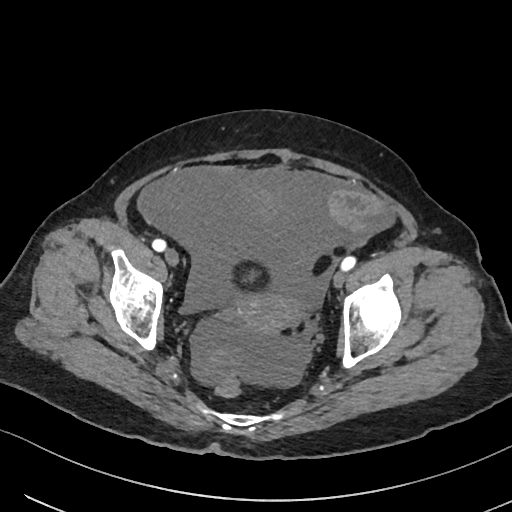 CT, abdomen/pelvis — axial plane, index 51 — 512x512 px — SOMATOM Force scanner — 15 organs annotated in this scan (counted over the whole 3D scan, not this slice; an organ is boxed only where this slice passes through it)
Organ boxes in pixel coordinates; each row gives the top-left (x1, y1) and bottom-right (x2, y2) corners.
| organ | x1 | y1 | x2 | y2 |
|---|---|---|---|---|
| prostate/uterus | 237 | 293 | 299 | 335 |